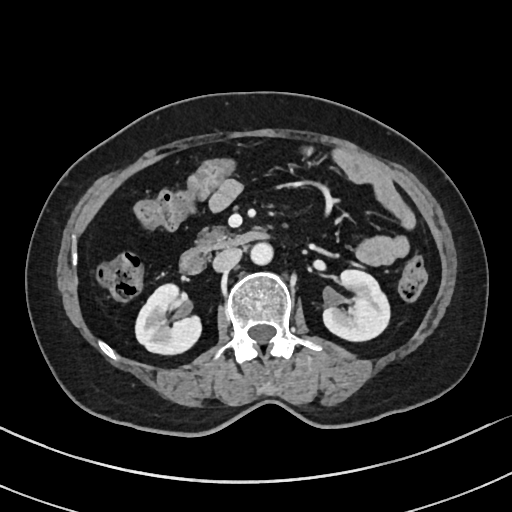

CT abdomen. axial plane, index 145. abdomen soft-tissue window. 512x512 px. acquired on SOMATOM Force
Boxes: x1:y1:x2:y2 in pixels. Labeled organs on this slice: right kidney at 135:284:201:354, left kidney at 323:270:389:341, aorta at 250:242:272:265, inferior vena cava at 212:248:241:271, pancreas at 197:227:234:251, duodenum at 179:230:268:274.